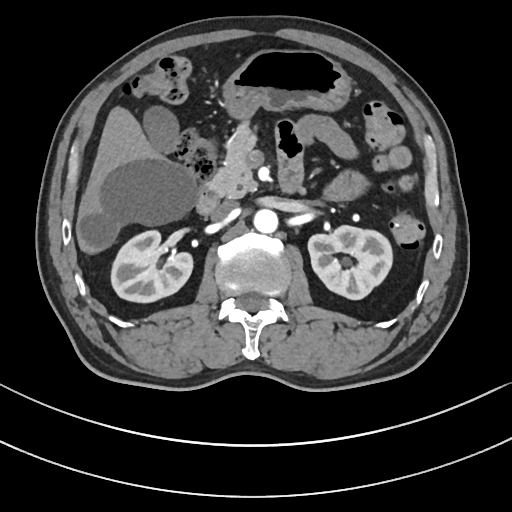 CT, abdomen/pelvis. axial plane, index 133. soft-tissue window. 512x512 px
<organs><organ name="right kidney" x1="111" y1="230" x2="192" y2="302"/><organ name="left kidney" x1="308" y1="226" x2="392" y2="299"/><organ name="gall bladder" x1="143" y1="107" x2="178" y2="152"/><organ name="liver" x1="77" y1="106" x2="195" y2="253"/><organ name="stomach" x1="223" y1="49" x2="350" y2="120"/><organ name="aorta" x1="253" y1="209" x2="278" y2="233"/><organ name="inferior vena cava" x1="210" y1="201" x2="237" y2="221"/><organ name="pancreas" x1="208" y1="126" x2="257" y2="197"/><organ name="duodenum" x1="196" y1="165" x2="301" y2="213"/></organs>